Abdominal CT · axial view
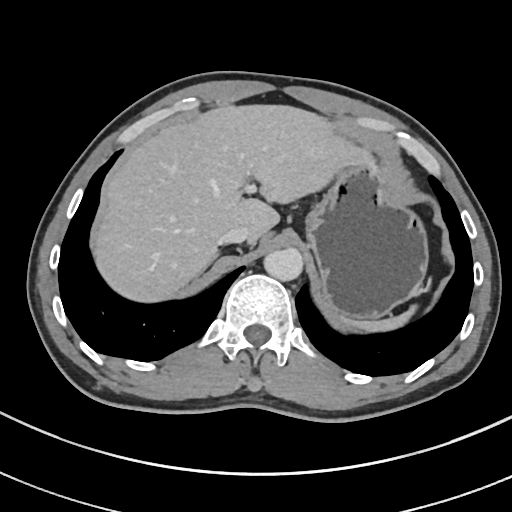 {"organs":{"spleen":[341,306,416,333],"liver":[96,106,363,302],"stomach":[303,153,427,319],"aorta":[264,249,303,282],"inferior vena cava":[219,227,248,243]}}